CT abdomen. axial plane, index 63. 768x768 px. 16-year-old male patient. Brilliance16 scanner
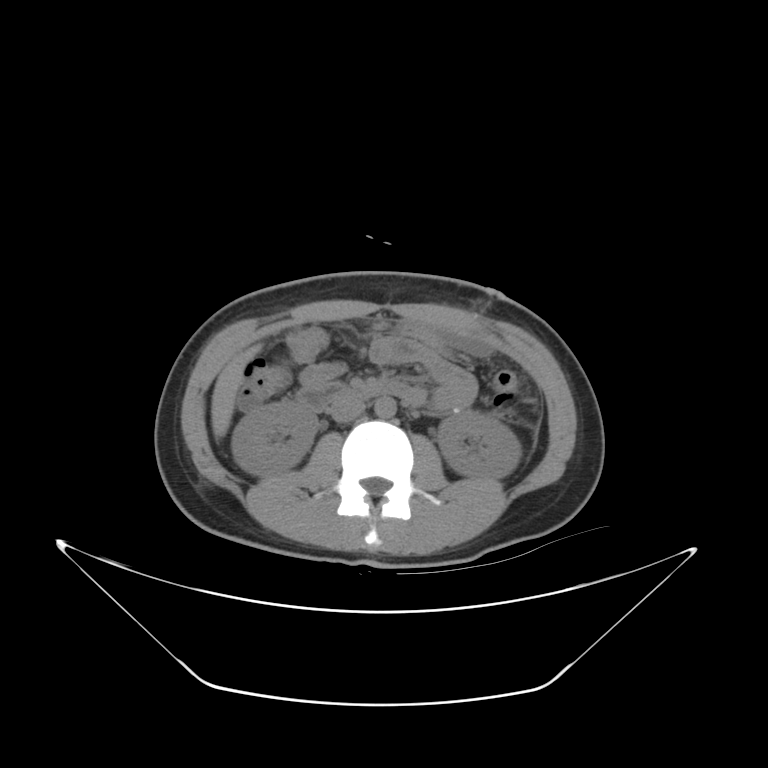 Each box given as x1,y1,x2,y2.
Organ bounding boxes:
- right kidney: x1=231, y1=403, x2=317, y2=476
- left kidney: x1=437, y1=409, x2=519, y2=477
- liver: x1=211, y1=342, x2=263, y2=440
- aorta: x1=375, y1=397, x2=396, y2=418
- inferior vena cava: x1=329, y1=401, x2=366, y2=423
- duodenum: x1=295, y1=379, x2=425, y2=414